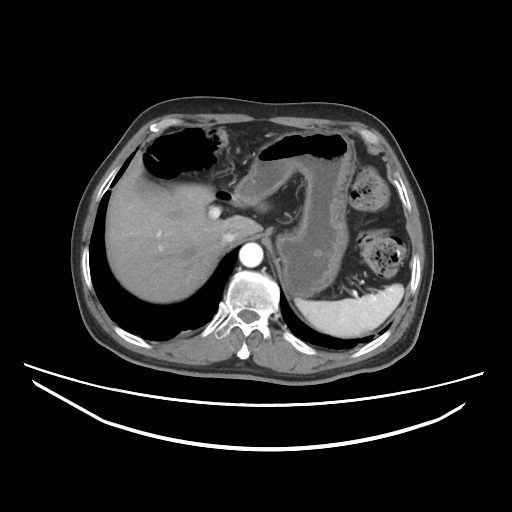

CT abdomen. axial view. 512x512 px
Boxes: x1:y1:x2:y2 in pixels.
spleen: 295:284:403:337
gall bladder: 136:176:159:194
liver: 105:156:261:302
stomach: 232:131:355:297
aorta: 239:242:263:267
inferior vena cava: 219:228:241:245